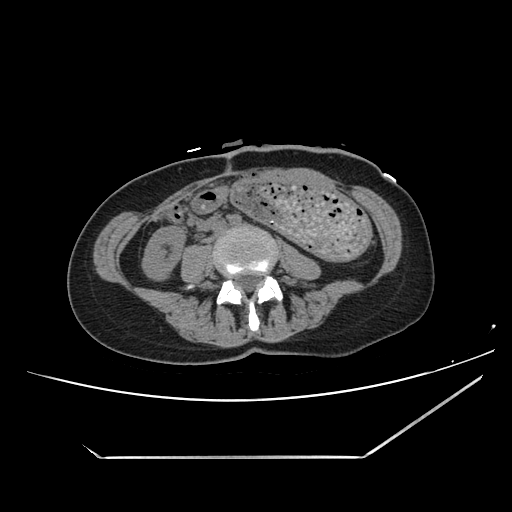

Abdominal CT; axial view; 512x512 px; SOMATOM Force scanner
Boxes: x1:y1:x2:y2 in pixels.
right kidney: 142:226:185:280
stomach: 229:179:372:261